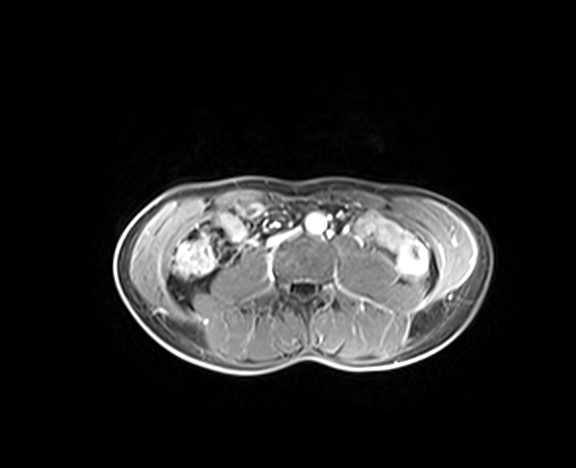 MRI, abdomen — axial plane, index 12 — 1st–99th percentile window — 13 organs annotated in this scan (that count is for the whole scan; organs this slice misses have no box)
Bounding boxes as [x1, y1, x2, y2] in pixel coordinates.
Organ bounding boxes:
- aorta: [305, 213, 326, 233]